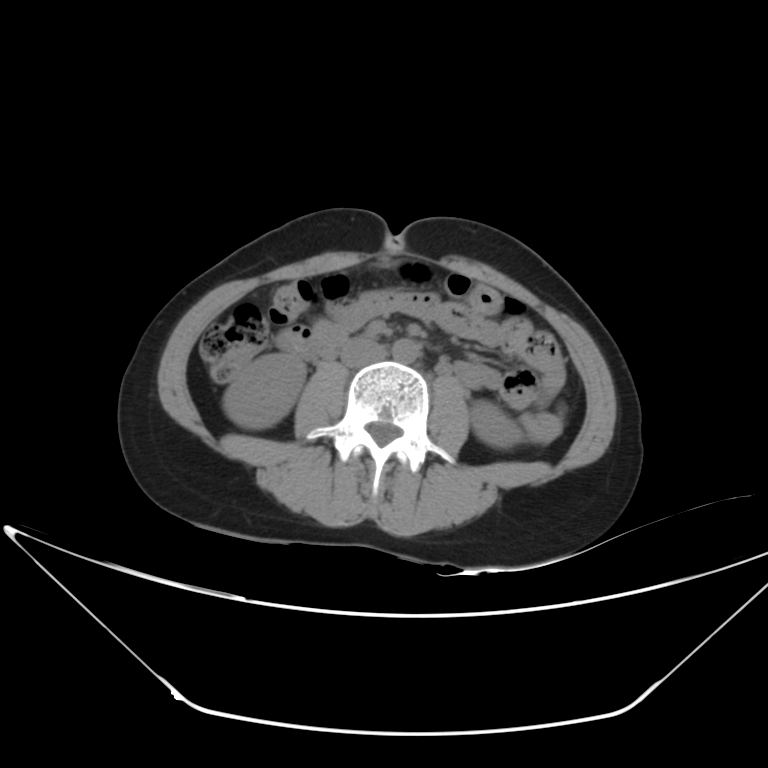 Abdominal CT — axial view — abdomen soft-tissue window — 768x768 px — acquired on Brilliance16
Each box given as x1,y1,x2,y2. Labeled organs on this slice: inferior vena cava at x1=340, y1=337, x2=387, y2=367, left kidney at x1=470, y1=400, x2=520, y2=448, aorta at x1=392, y1=339, x2=419, y2=362, duodenum at x1=275, y1=327, x2=333, y2=359, right kidney at x1=223, y1=353, x2=306, y2=428.